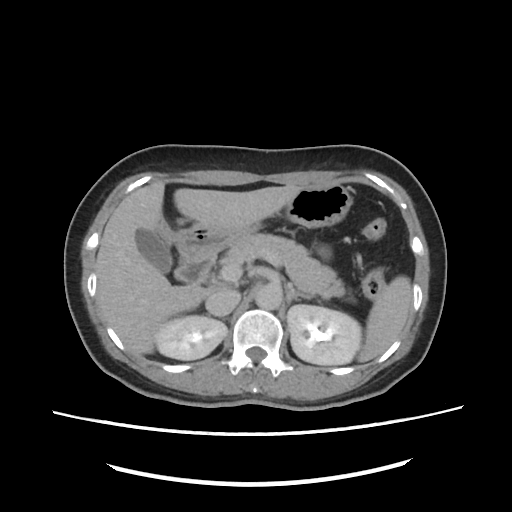
CT, abdomen/pelvis — axial view — 50-year-old female patient — acquired on Aquilion ONE — 15 organs annotated in this scan (counted over the whole 3D scan, not this slice; an organ is boxed only where this slice passes through it)
<organs><organ name="spleen" x1="357" y1="277" x2="411" y2="361"/><organ name="right kidney" x1="155" y1="317" x2="227" y2="360"/><organ name="left kidney" x1="287" y1="305" x2="361" y2="364"/><organ name="gall bladder" x1="136" y1="230" x2="170" y2="272"/><organ name="liver" x1="95" y1="181" x2="305" y2="354"/><organ name="stomach" x1="176" y1="183" x2="351" y2="256"/><organ name="aorta" x1="253" y1="284" x2="281" y2="310"/><organ name="inferior vena cava" x1="205" y1="290" x2="240" y2="316"/><organ name="pancreas" x1="222" y1="234" x2="344" y2="298"/><organ name="left adrenal gland" x1="285" y1="284" x2="304" y2="302"/><organ name="duodenum" x1="174" y1="253" x2="215" y2="284"/></organs>